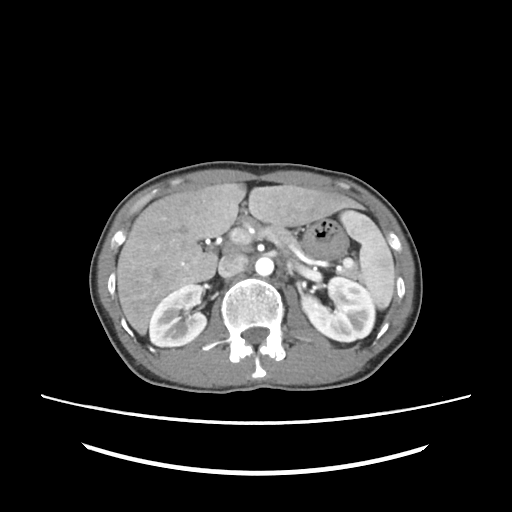
CT abdomen. axial view. soft-tissue window (W 400 / L 40). 512x512 px. 15 organs annotated in this scan (counted over the whole 3D scan, not this slice; an organ is boxed only where this slice passes through it)
{"organs":{"spleen":[340,210,394,309],"right kidney":[149,284,206,346],"left kidney":[302,277,374,341],"liver":[117,183,353,334],"stomach":[302,218,348,258],"aorta":[255,257,273,276],"inferior vena cava":[218,253,248,277],"pancreas":[258,224,299,248]}}